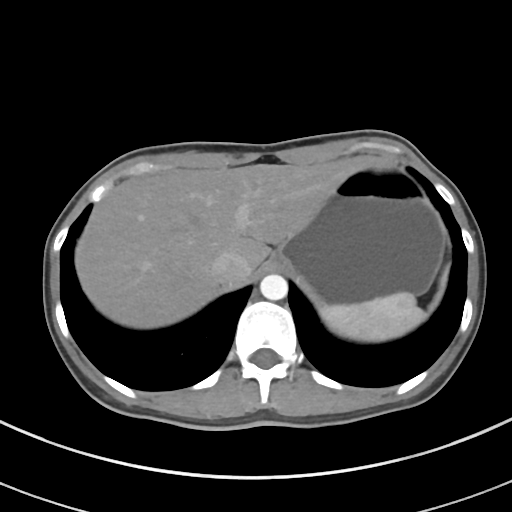
Abdominal CT · axial view · 512x512 px
Boxes: x1 y1 x2 y2 (pixel coords, space-separated). 5 labeled organs on this slice — inferior vena cava at 211 252 250 284; aorta at 260 274 288 300; liver at 74 157 381 328; stomach at 277 165 444 304; spleen at 320 269 447 341.